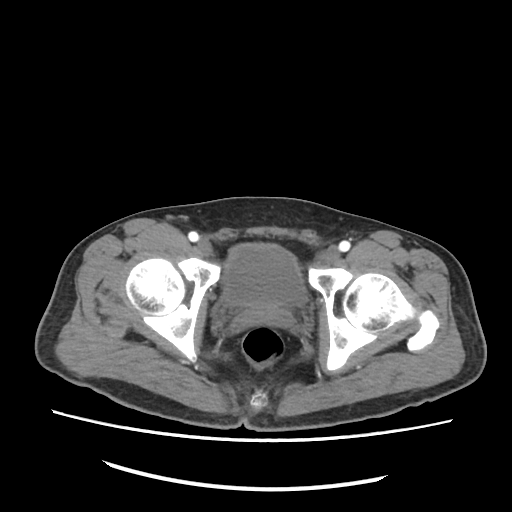
Computed tomography, abdomen. axial view. abdomen soft-tissue window. 512x512 px. scan has 15 labeled organs (counted over the whole 3D scan, not this slice; an organ is boxed only where this slice passes through it)
Coordinates as <box>x1,y1,x2,y2</box> in pixels.
bladder: <box>223,242,304,306</box>